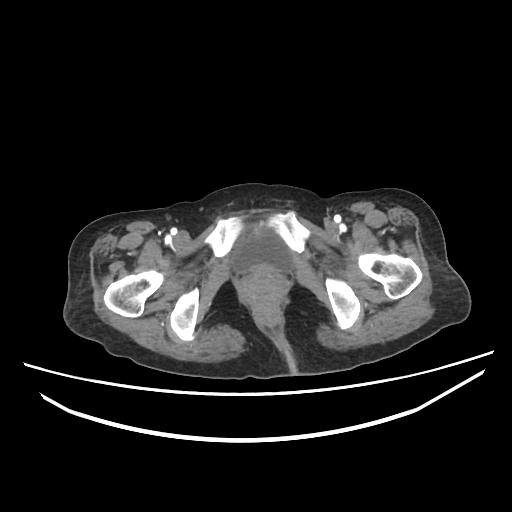 Computed tomography, abdomen — axial plane, index 13 — 63-year-old female patient — acquired on Aquilion ONE — 14 organs annotated in this scan (counted over the whole 3D scan, not this slice; an organ is boxed only where this slice passes through it)
Boxes are (x1, y1, x2, y2) in pixels.
Organ bounding boxes:
- bladder: (229, 231, 290, 271)